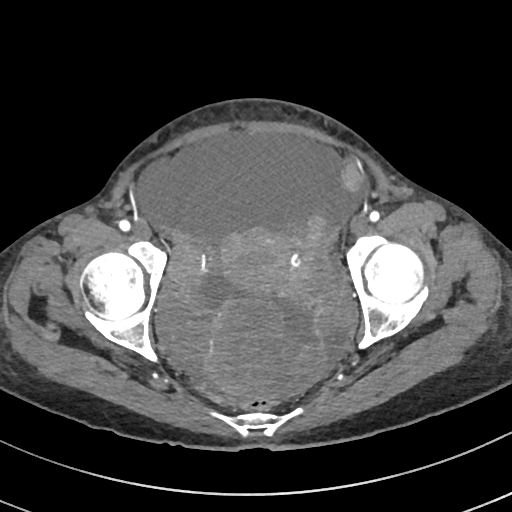

Abdominal CT. axial view. 512x512 px
Organ boxes in pixel coordinates; each row gives the top-left (x1, y1) and bottom-right (x2, y2) corners.
| organ | x1 | y1 | x2 | y2 |
|---|---|---|---|---|
| prostate/uterus | 220 | 228 | 290 | 293 |